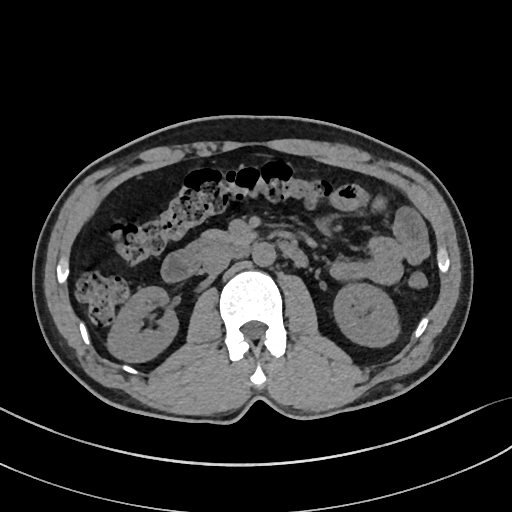
Computed tomography, abdomen · axial plane, index 147 · soft-tissue window (W 400 / L 40) · 512x512 px · SOMATOM Force scanner
Box edges are left/top/right/bottom in pixels.
right kidney: left=109, top=287, right=176, bottom=361
inferior vena cava: left=202, top=248, right=233, bottom=274
pancreas: left=201, top=228, right=257, bottom=243
duodenum: left=161, top=236, right=306, bottom=282
left kidney: left=334, top=284, right=397, bottom=345
aorta: left=252, top=241, right=275, bottom=265